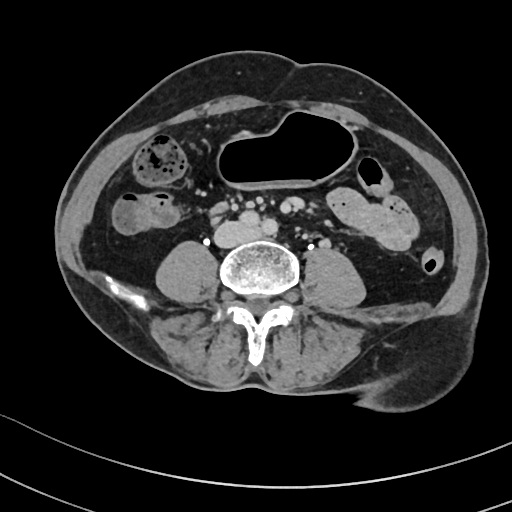

CT abdomen. axial view. soft-tissue window (W 400 / L 40). SOMATOM Force scanner
<organs><organ name="stomach" x1="215" y1="112" x2="357" y2="188"/><organ name="inferior vena cava" x1="214" y1="221" x2="257" y2="248"/><organ name="duodenum" x1="211" y1="202" x2="229" y2="214"/></organs>